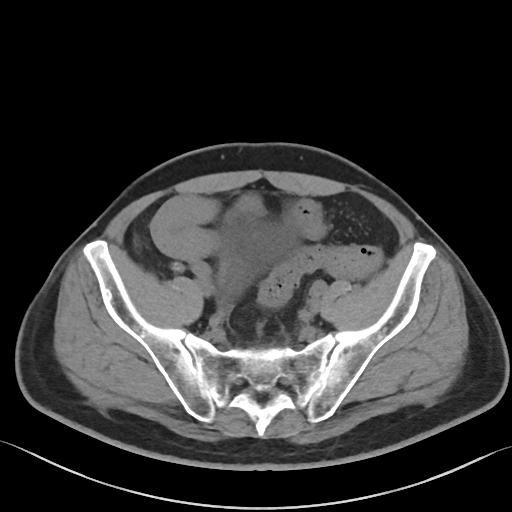

CT, abdomen/pelvis; axial view; soft-tissue window (W 400 / L 40)
Each box given as x1,y1,x2,y2.
Organ bounding boxes:
- bladder: x1=222, y1=211, x2=300, y2=295